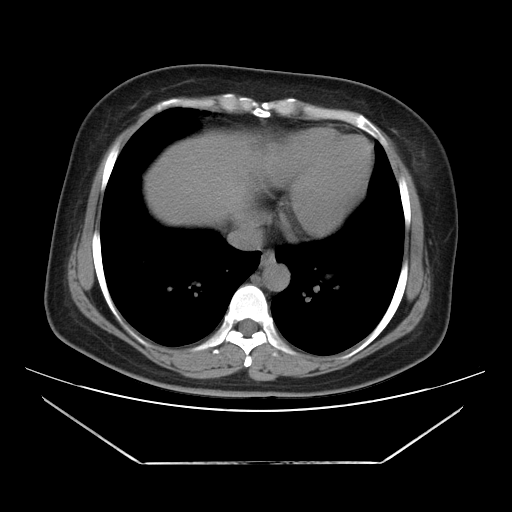
CT abdomen; axial plane, index 89
One row per box, in pixels: columns x1 and y1 give the top-left corner, x2 and y2 the bottom-right.
| organ | x1 | y1 | x2 | y2 |
|---|---|---|---|---|
| inferior vena cava | 227 | 222 | 263 | 250 |
| esophagus | 260 | 250 | 275 | 266 |
| aorta | 262 | 263 | 289 | 291 |
| liver | 144 | 130 | 257 | 226 |